CT, abdomen/pelvis — axial view — soft-tissue window
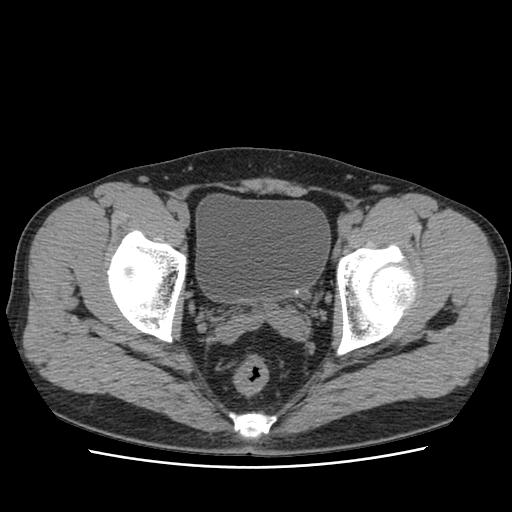 Coordinates as <box>x1,y1,x2,y2</box> in pixels. 1 labeled organ on this slice — bladder at <box>196,194,330,302</box>.